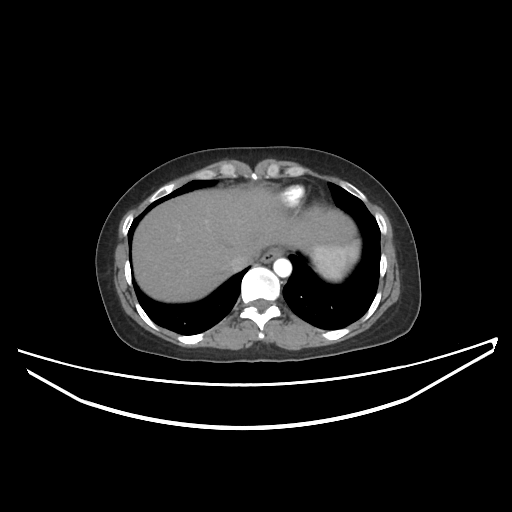
Abdominal CT; axial view; 37-year-old female patient
<organs><organ name="spleen" x1="311" y1="240" x2="359" y2="281"/><organ name="esophagus" x1="261" y1="247" x2="283" y2="262"/><organ name="liver" x1="132" y1="187" x2="356" y2="302"/><organ name="aorta" x1="273" y1="258" x2="291" y2="277"/><organ name="inferior vena cava" x1="229" y1="253" x2="250" y2="272"/></organs>